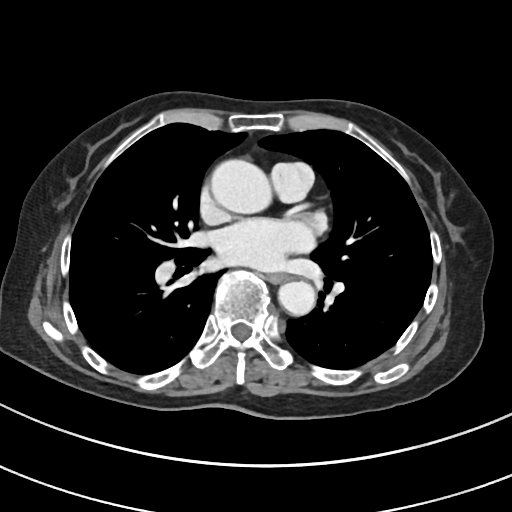 CT of the abdomen reaching into the lower chest, slice just above the liver and spleen; axial view; soft-tissue window, W/L 400/40; 512x512 px; acquired on SOMATOM Force
The heart and lungs are never labeled in this dataset, so they have no box on this slice.
Box edges are left/top/right/bottom in pixels.
esophagus: left=267, top=273, right=287, bottom=283
aorta: left=211, top=159, right=271, bottom=213
aorta: left=278, top=281, right=315, bottom=315